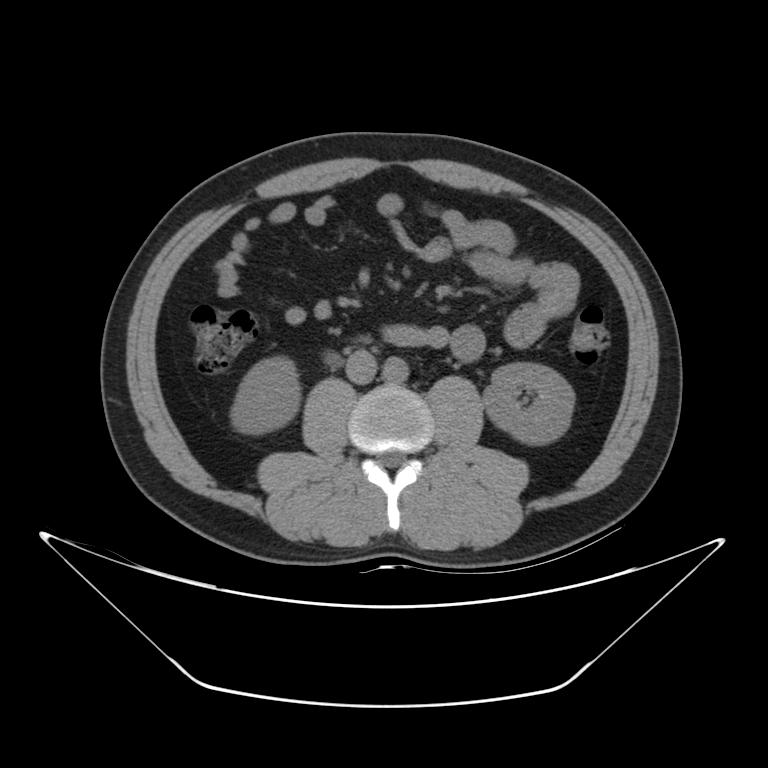

Abdominal CT · axial view
{"organs":{"right kidney":[230,356,300,434],"left kidney":[484,361,574,444],"aorta":[383,356,408,382],"inferior vena cava":[346,350,377,384]}}